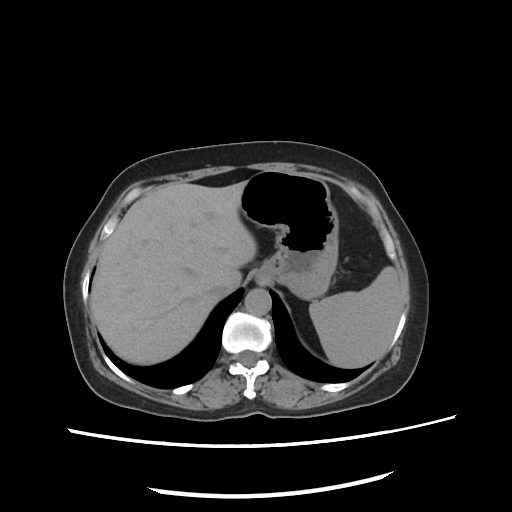
Abdominal CT · axial view · 15 organs annotated in this scan (a whole-scan count: organs this slice does not pass through have no box)
Boxes: x1 y1 x2 y2 (pixel coords, space-separated). 5 labeled organs on this slice — aorta at 245 288 271 314; liver at 90 181 256 364; spleen at 308 265 401 366; inferior vena cava at 209 283 240 295; stomach at 241 171 338 299.